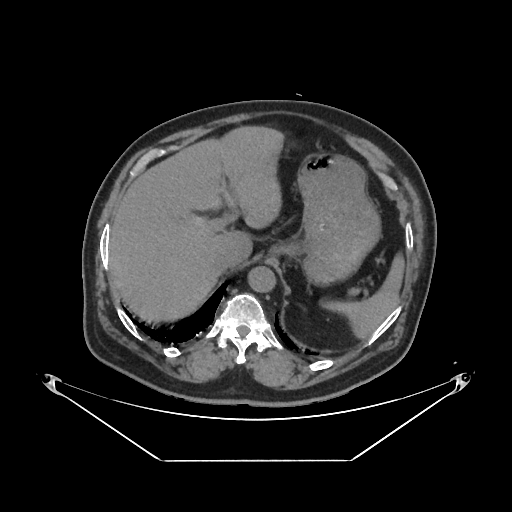
CT abdomen; axial view; soft-tissue window (W 400 / L 40); 15 organs annotated in this scan (that count is for the whole scan; organs this slice misses have no box)
Box edges are left/top/right/bottom in pixels. Labeled organs on this slice: spleen at left=324, top=255, right=404, bottom=338, liver at left=109, top=127, right=284, bottom=321, stomach at left=272, top=154, right=380, bottom=283, aorta at left=248, top=266, right=276, bottom=292, inferior vena cava at left=213, top=254, right=237, bottom=273.